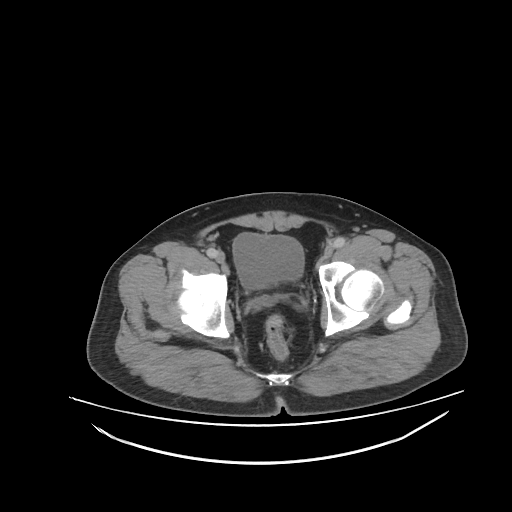
CT abdomen; axial view; soft-tissue window
<organs><organ name="bladder" x1="232" y1="234" x2="304" y2="288"/></organs>